CT abdomen. axial view. 512x512 px
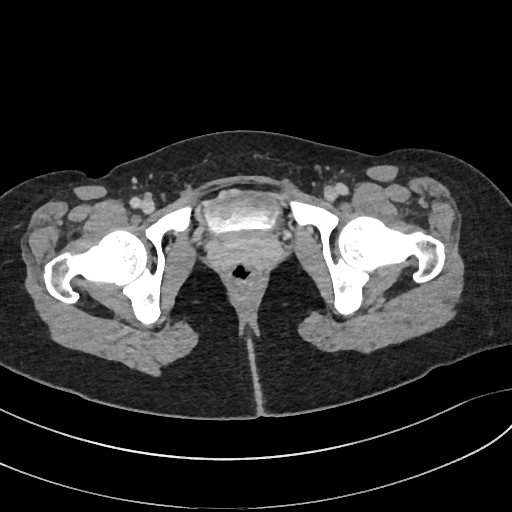 {"organs":{"bladder":[205,191,279,233]}}